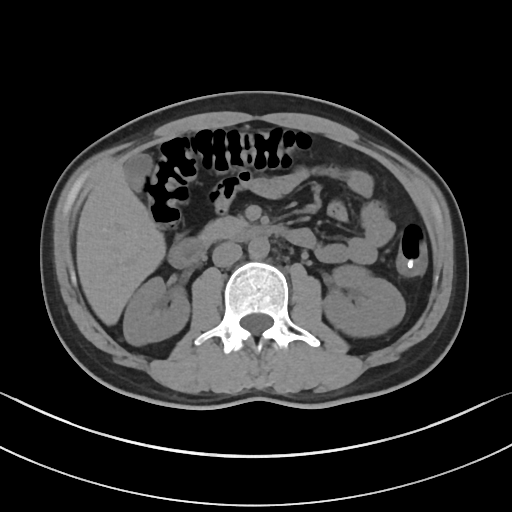
CT, abdomen/pelvis — axial view — soft-tissue window (W 400 / L 40) — 512x512 px — acquired on SOMATOM Force
Bounding boxes as [x1, y1, x2, y2] in pixel coordinates.
Organ bounding boxes:
- inferior vena cava: [212, 241, 241, 266]
- left kidney: [323, 265, 405, 336]
- liver: [76, 156, 165, 325]
- duodenum: [168, 224, 287, 268]
- gall bladder: [123, 153, 151, 191]
- aorta: [248, 238, 269, 258]
- pancreas: [198, 216, 246, 244]
- right kidney: [123, 277, 189, 345]